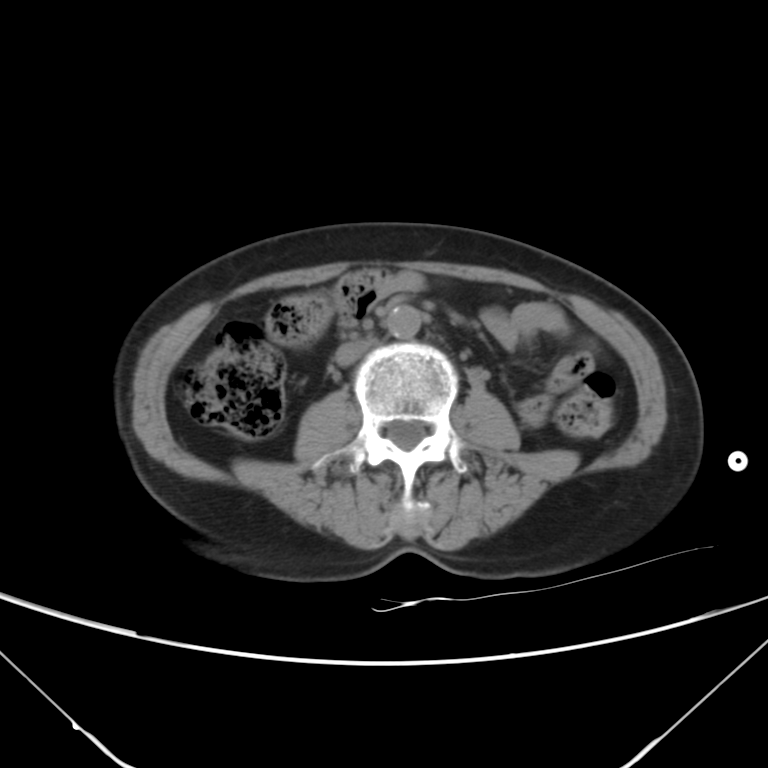 Abdominal CT. axial view. 63-year-old female patient
Bounding boxes as [x1, y1, x2, y2] in pixel coordinates. 2 labeled organs on this slice — aorta at [386, 305, 421, 338]; inferior vena cava at [335, 337, 376, 366].